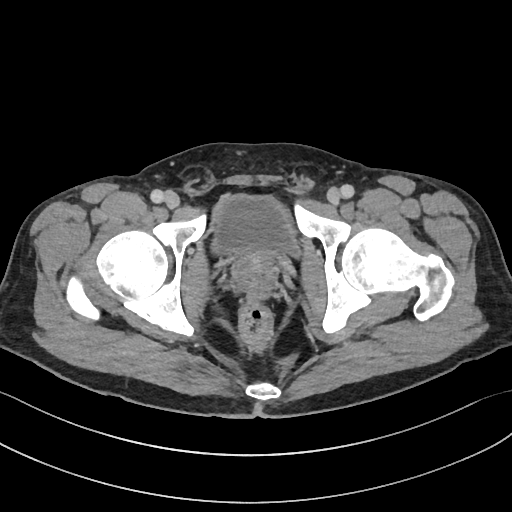 Computed tomography, abdomen; axial view; abdomen soft-tissue window; 512x512 px
Organ boxes in pixel coordinates; each row gives the top-left (x1, y1) and bottom-right (x2, y2) corners.
| organ | x1 | y1 | x2 | y2 |
|---|---|---|---|---|
| bladder | 213 | 195 | 301 | 257 |
| prostate/uterus | 231 | 251 | 276 | 288 |